CT, abdomen/pelvis; axial view
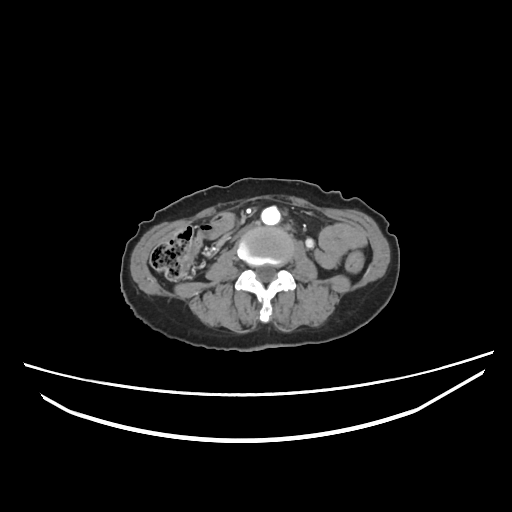
Boxes: x1:y1:x2:y2 in pixels. Labeled organs on this slice: aorta at 261:205:280:225, inferior vena cava at 231:220:254:242.